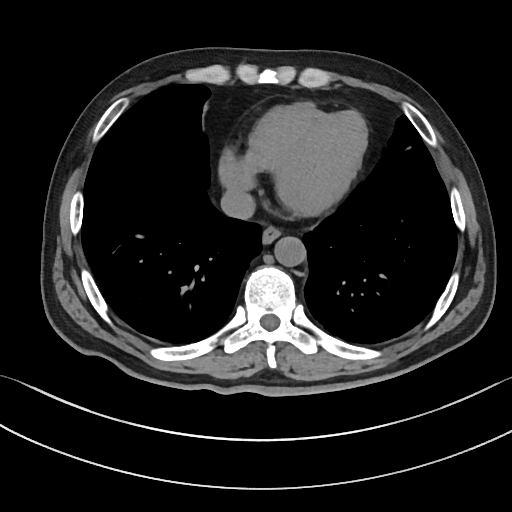
Lower-chest slice from an abdominal CT, just above the liver and spleen. Axial slice 217/231. SOMATOM Force scanner
Of the structures in the chest, this dataset labels only the esophagus, the aorta and the inferior vena cava; the heart and lungs have no label.
Organ boxes in pixel coordinates; each row gives the top-left (x1, y1) and bottom-right (x2, y2) corners.
| organ | x1 | y1 | x2 | y2 |
|---|---|---|---|---|
| inferior vena cava | 220 | 189 | 255 | 219 |
| aorta | 274 | 237 | 306 | 266 |
| esophagus | 262 | 227 | 280 | 245 |